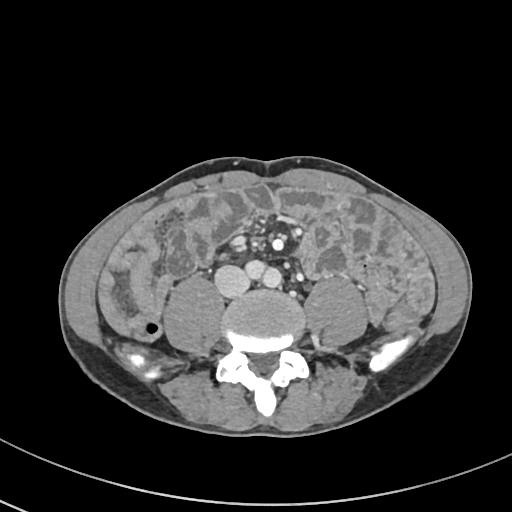

Abdominal CT — axial view — SOMATOM Force scanner
Each box given as x1,y1,x2,y2. Labeled organs on this slice: inferior vena cava at x1=214, y1=266, x2=249, y2=297.